Abdominal CT reaching into the chest; this slice is in the chest — axial plane, index 282 — soft-tissue window — 512x512 px
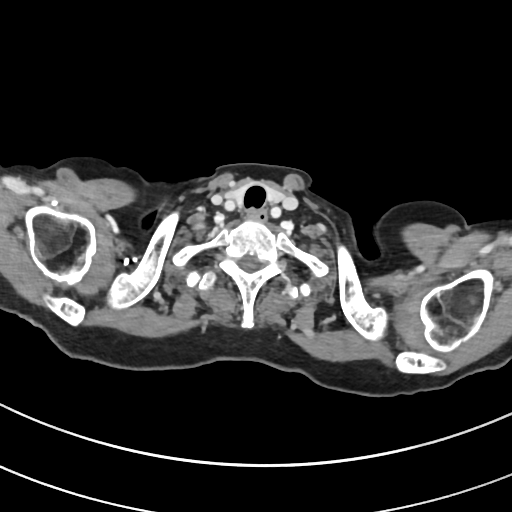

On a slice this high in the chest, this dataset labels only the esophagus and the aorta, and each is boxed only where it is labeled; the heart, lungs and other chest structures are not labeled. Box edges are left/top/right/bottom in pixels. The annotated organs in this slice are: esophagus at left=249, top=210, right=267, bottom=219.